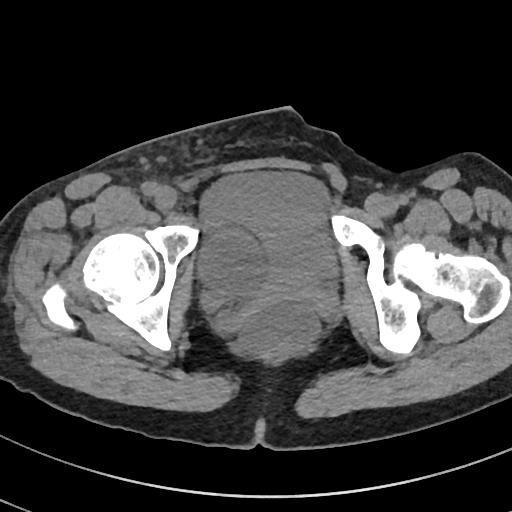
CT abdomen · axial plane, index 19
Each box given as x1,y1,x2,y2.
bladder: x1=202, y1=171, x2=337, y2=280